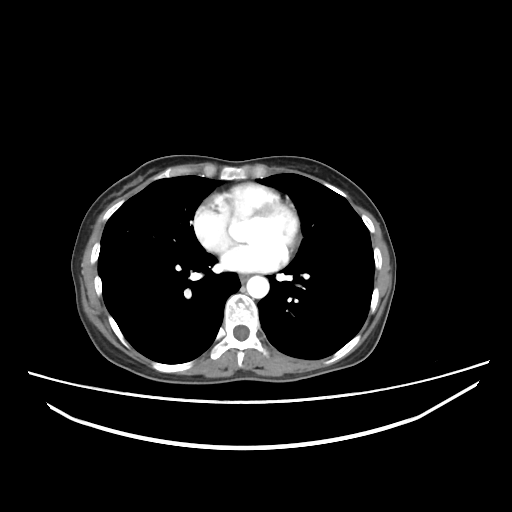
Chest-level CT slice, above the liver and spleen — Axial slice 80/114 — scan has 15 labeled organs (counted over the whole 3D scan, not this slice; an organ is boxed only where this slice passes through it)
At this level of the chest this dataset labels only the esophagus and the aorta, and each is boxed only where it is labeled; the heart and lungs are never labeled.
Each box given as x1,y1,x2,y2.
Organ bounding boxes:
- esophagus: x1=239, y1=274, x2=249, y2=282
- aorta: x1=246, y1=275, x2=269, y2=298